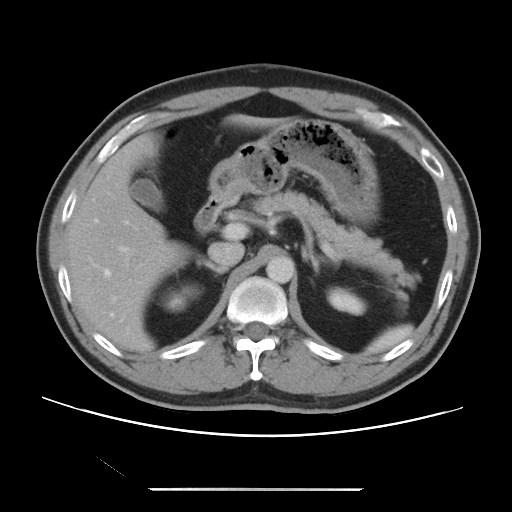
CT, abdomen/pelvis · axial view · SOMATOM Force scanner
Boxes are (x1, y1, x2, y2) in pixels. Labeled organs on this slice: duodenum at (194, 196, 225, 232), right adrenal gland at (197, 259, 228, 273), inferior vena cava at (208, 242, 244, 267), left adrenal gland at (302, 247, 319, 272), pancreas at (252, 190, 416, 301), aorta at (266, 256, 294, 283), spleen at (366, 324, 413, 353), right kidney at (164, 285, 199, 310), left kidney at (328, 288, 365, 314), liver at (66, 114, 288, 352), gall bladder at (130, 179, 163, 211), stomach at (209, 119, 378, 224).